Abdominal CT; this slice is in the lower chest, just above the liver · Axial slice 220/245 · acquired on SOMATOM Force
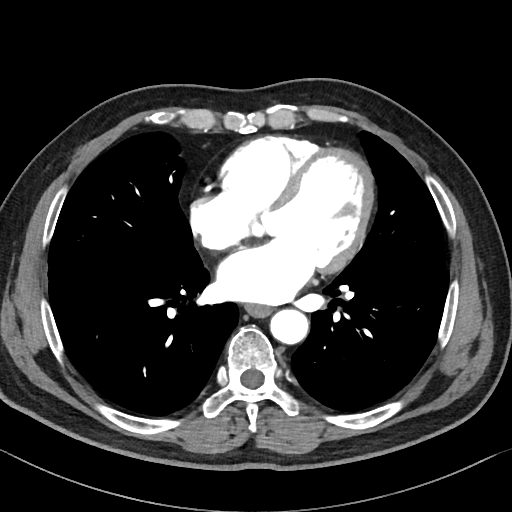
The heart and lungs are never labeled in this dataset, so they have no box on this slice. Boxes: x1 y1 x2 y2 (pixel coords, space-separated). Labeled organs on this slice: aorta at 270 308 308 343, esophagus at 245 303 271 316.